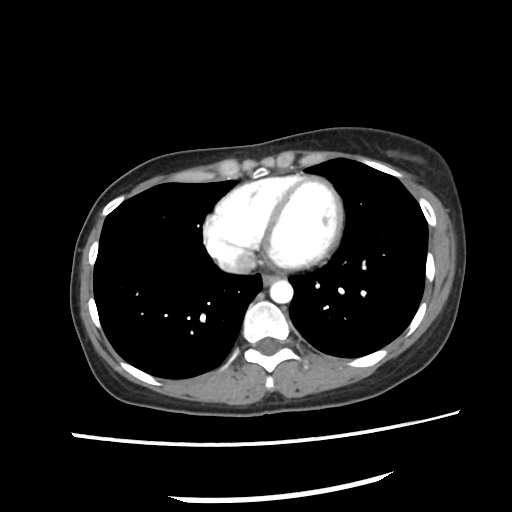
Lower-chest slice from an abdominal CT, just above the liver and spleen; Axial slice 87/124
The heart and lungs are never labeled in this dataset, so they have no box on this slice. Boxes: x1:y1:x2:y2 in pixels. Labeled organs on this slice: esophagus at 262:273:278:285, aorta at 269:280:293:302, inferior vena cava at 213:248:257:274.